Lower-chest slice from an abdominal CT, just above the liver and spleen; axial view; W/L 400/40 HU
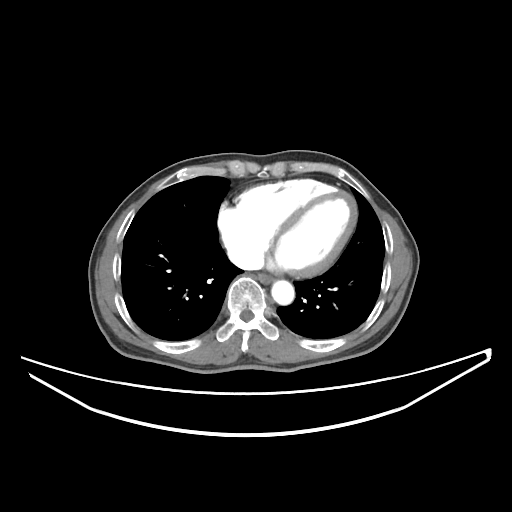
No part of the heart or lungs is labeled in this dataset, so neither has a box here.
<organs><organ name="esophagus" x1="257" y1="273" x2="273" y2="283"/><organ name="aorta" x1="271" y1="280" x2="294" y2="304"/><organ name="inferior vena cava" x1="227" y1="246" x2="249" y2="266"/></organs>